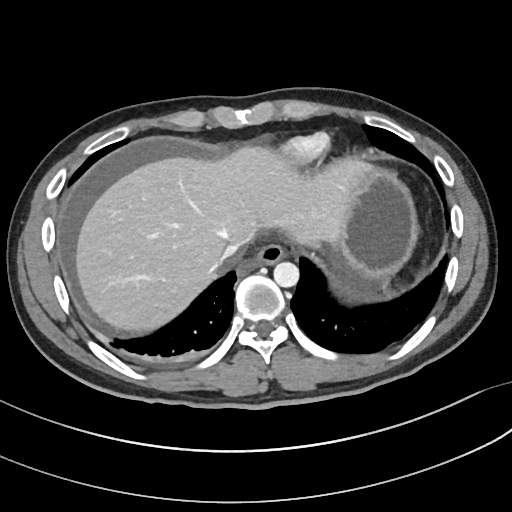 Computed tomography, abdomen. Axial slice 220/251
{"organs":{"esophagus":[250,243,284,266],"liver":[75,146,363,332],"stomach":[333,163,419,279],"aorta":[273,262,299,287],"inferior vena cava":[222,243,240,259]}}